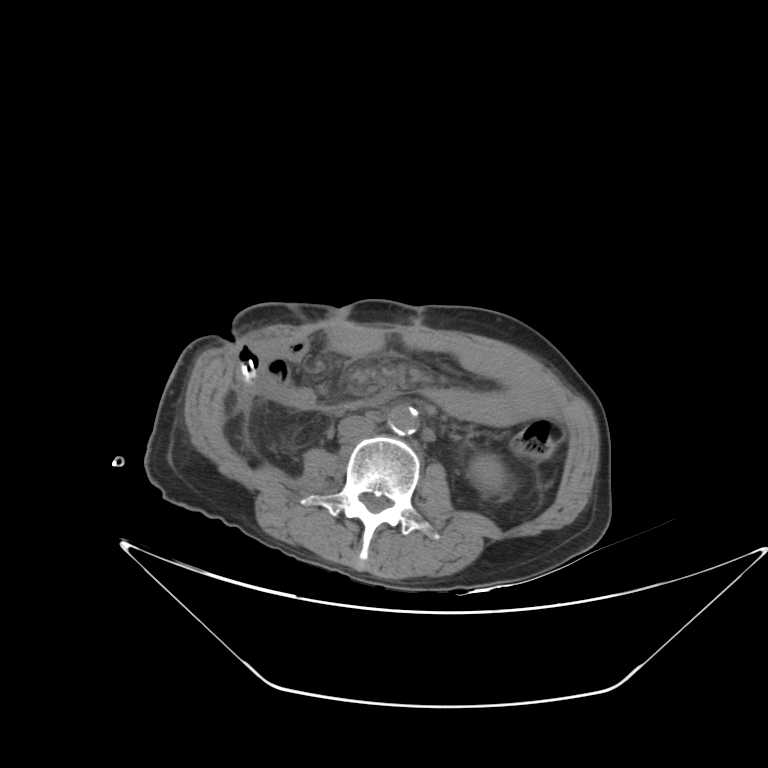
Computed tomography, abdomen — axial view — abdomen soft-tissue window — 768x768 px — Brilliance16 scanner — scan has 14 labeled organs (a whole-scan count: organs this slice does not pass through have no box)
Boxes are (x1, y1, x2, y2) in pixels. The annotated organs in this slice are: left kidney at (470, 457, 502, 491), aorta at (387, 405, 418, 435), inferior vena cava at (338, 415, 374, 440).